CT abdomen — axial view — 512x512 px — Aquilion ONE scanner
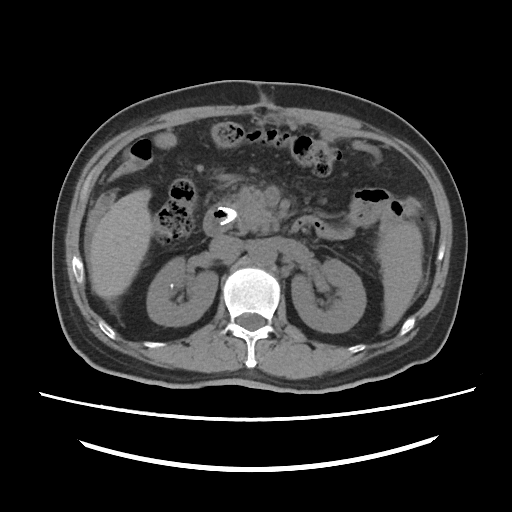 Bounding boxes in pixels, one row per box: x1, y1 is the top-left corner and x2, y2 the bottom-right.
| organ | x1 | y1 | x2 | y2 |
|---|---|---|---|---|
| spleen | 377 | 224 | 421 | 329 |
| right kidney | 147 | 257 | 217 | 325 |
| left kidney | 291 | 259 | 366 | 332 |
| liver | 89 | 188 | 384 | 329 |
| aorta | 250 | 242 | 276 | 265 |
| inferior vena cava | 209 | 235 | 243 | 260 |
| pancreas | 227 | 186 | 273 | 231 |
| duodenum | 203 | 204 | 324 | 235 |